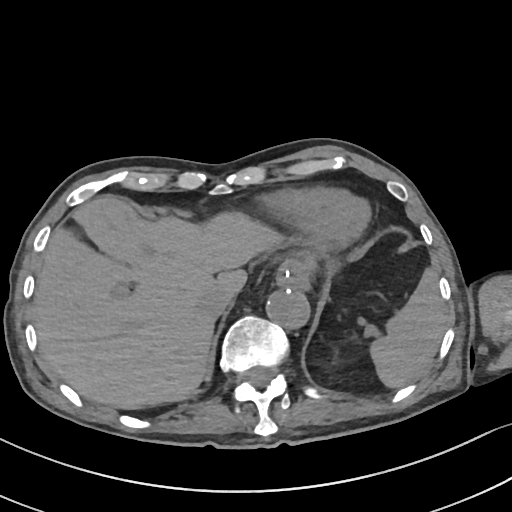 Abdominal CT — Axial slice 170/208 — abdomen soft-tissue window
Boxes: x1 y1 x2 y2 (pixel coords, space-separated).
esophagus: 276 261 307 287
spleen: 369 269 447 388
liver: 33 195 282 409
inferior vena cava: 196 288 241 319
aorta: 266 286 309 328
stomach: 290 252 311 271